Abdominal CT — Axial slice 56/99 — soft-tissue window
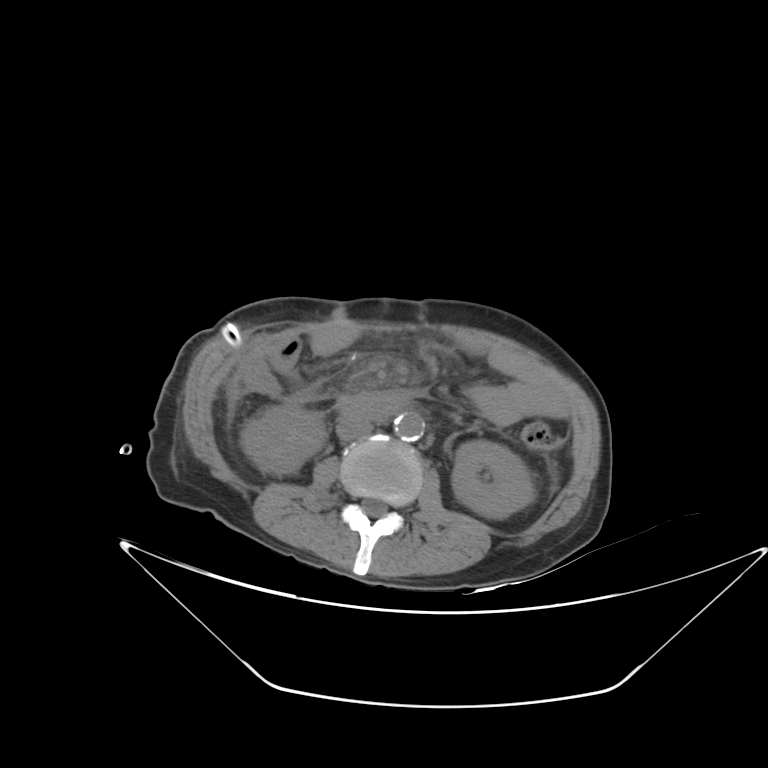 Bounding boxes in pixels, one row per box: x1, y1 is the top-left corner and x2, y2 the bottom-right.
| organ | x1 | y1 | x2 | y2 |
|---|---|---|---|---|
| right kidney | 240 | 404 | 325 | 474 |
| inferior vena cava | 336 | 415 | 372 | 440 |
| aorta | 394 | 412 | 424 | 441 |
| left kidney | 451 | 440 | 534 | 518 |
| duodenum | 337 | 390 | 405 | 418 |